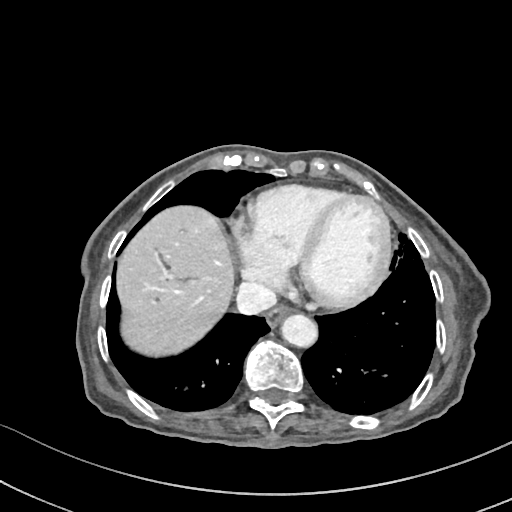

Computed tomography, abdomen · axial plane, index 214 · soft-tissue window · 512x512 px
Boxes: x1 y1 x2 y2 (pixel coords, space-separated).
aorta: 281 314 317 347
liver: 116 206 233 355
esophagus: 266 305 291 327
inferior vena cava: 236 282 276 314